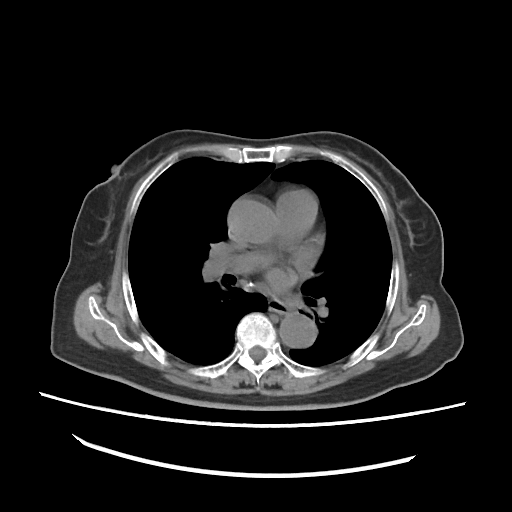

Lower-chest slice from an abdominal CT, just above the liver and spleen · axial view
No part of the heart or lungs is labeled in this dataset, so neither has a box here.
One row per box, in pixels: columns x1 and y1 give the top-left corner, x2 and y2 the bottom-right.
| organ | x1 | y1 | x2 | y2 |
|---|---|---|---|---|
| esophagus | 265 | 301 | 286 | 312 |
| aorta | 229 | 196 | 278 | 243 |
| aorta | 279 | 314 | 315 | 346 |